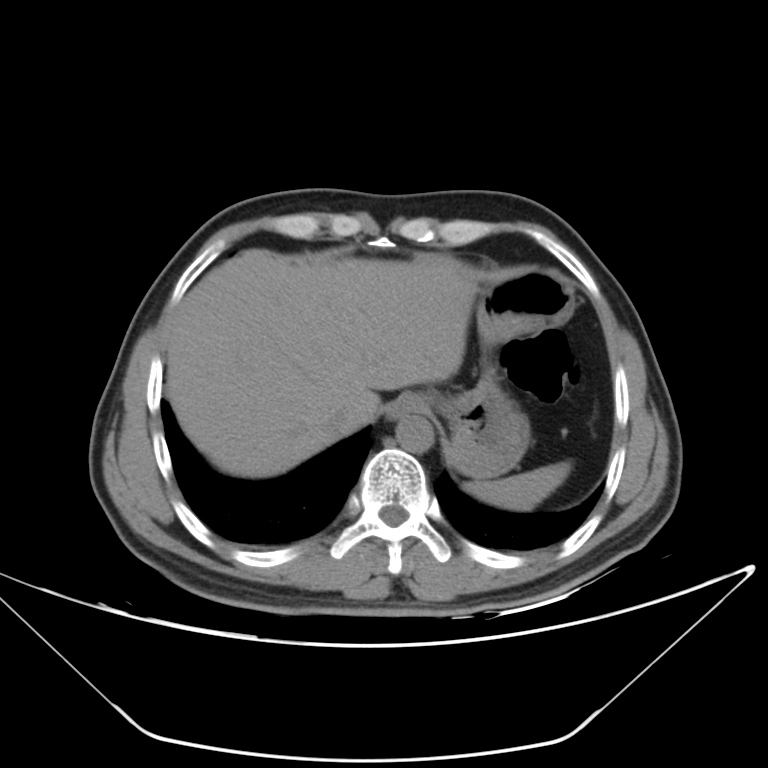

Computed tomography, abdomen · axial plane, index 86 · abdomen soft-tissue window · 768x768 px · scan has 15 labeled organs (that count is for the whole scan; organs this slice misses have no box)
Bounding boxes as [x1, y1, x2, y2] in pixel coordinates.
stomach: [430, 270, 574, 479]
liver: [166, 249, 479, 477]
inferior vena cava: [323, 400, 359, 434]
aorta: [396, 415, 433, 453]
esophagus: [386, 394, 427, 419]
spleen: [465, 461, 570, 510]